Abdominal CT. axial view. W/L 400/40 HU. 15 organs annotated in this scan (counted over the whole 3D scan, not this slice; an organ is boxed only where this slice passes through it)
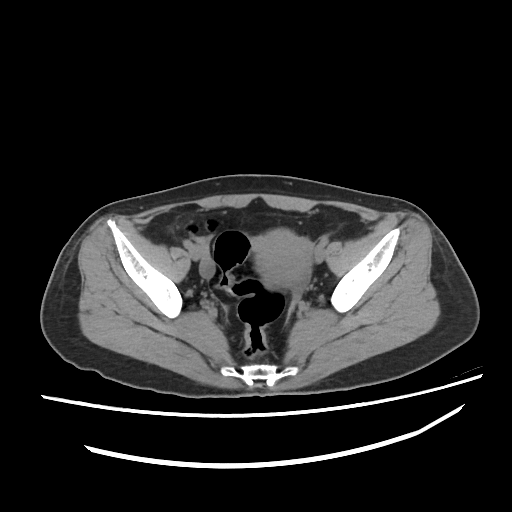

{"organs":{"prostate/uterus":[256,227,313,290]}}